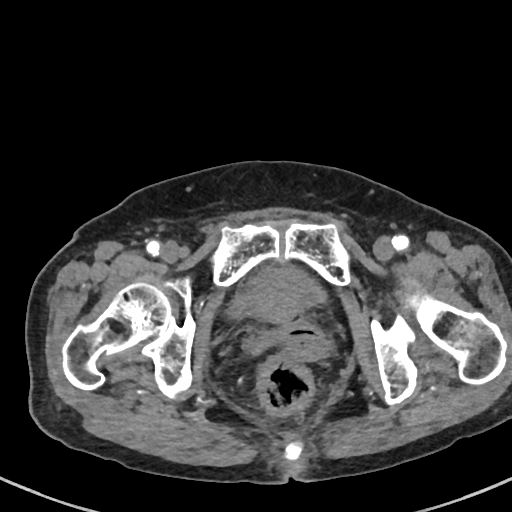 Abdominal CT · axial plane, index 25 · acquired on SOMATOM Force
{"organs":{"bladder":[227,265,325,319]}}